Chest-level CT slice, above the liver and spleen — axial view
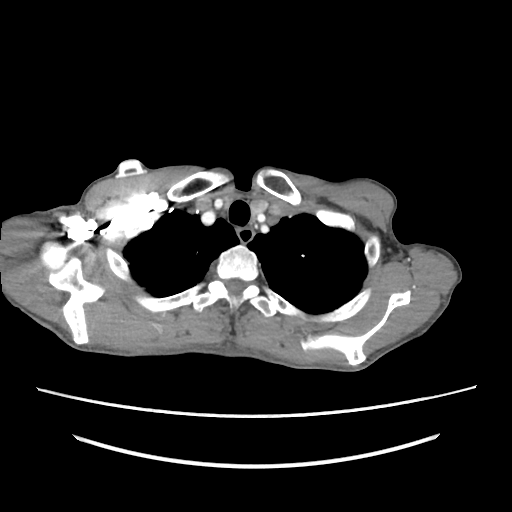

At this level of the chest this dataset labels only the esophagus and the aorta, and each is boxed only where it is labeled; the heart and lungs are never labeled.
{"organs":{"esophagus":[238,225,254,243]}}